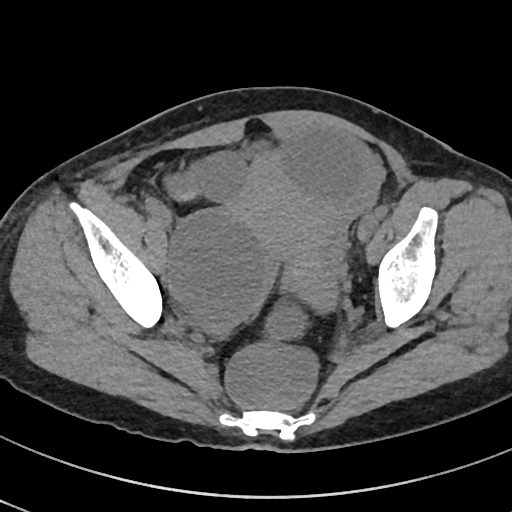

Abdominal CT. axial view. 512x512 px
Bounding boxes in pixels, one row per box: x1, y1 is the top-left corner and x2, y2 the bottom-right.
| organ | x1 | y1 | x2 | y2 |
|---|---|---|---|---|
| bladder | 242 | 142 | 266 | 159 |
| prostate/uterus | 241 | 166 | 336 | 308 |